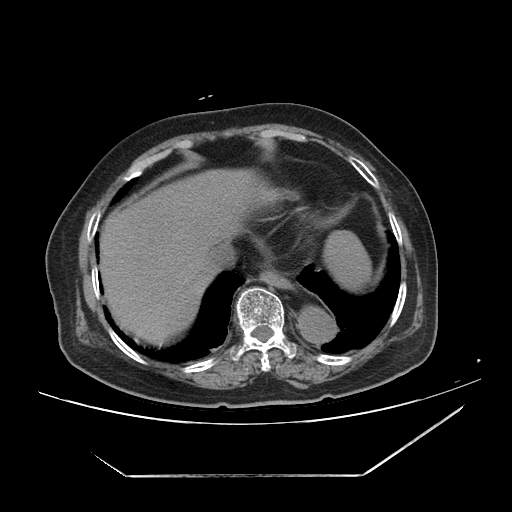 CT abdomen. axial view. 512x512 px. acquired on SOMATOM Force
Box edges are left/top/right/bottom in pixels.
Organ bounding boxes:
- spleen: left=323, top=230, right=371, bottom=290
- esophagus: left=259, top=269, right=292, bottom=288
- liver: left=99, top=168, right=275, bottom=344
- aorta: left=298, top=306, right=336, bottom=343
- inferior vena cava: left=205, top=243, right=235, bottom=272